CT of the abdomen extending into the chest, slice through the chest — axial view — SOMATOM Force scanner
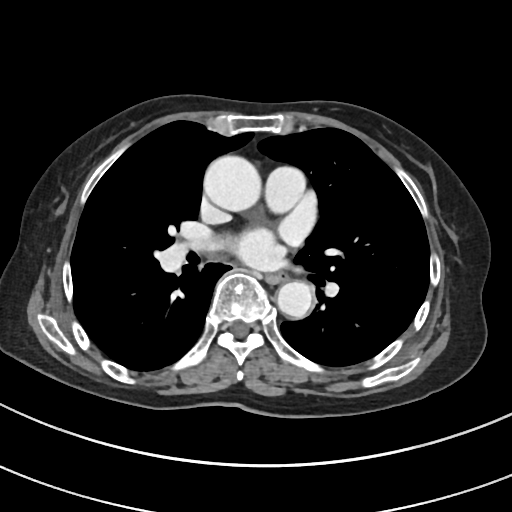
At this level of the chest no structure but the esophagus and the aorta has a label in this dataset, and those two are boxed only where they are labeled.
<organs><organ name="esophagus" x1="266" y1="273" x2="286" y2="283"/><organ name="aorta" x1="204" y1="156" x2="262" y2="211"/><organ name="aorta" x1="277" y1="281" x2="313" y2="318"/></organs>